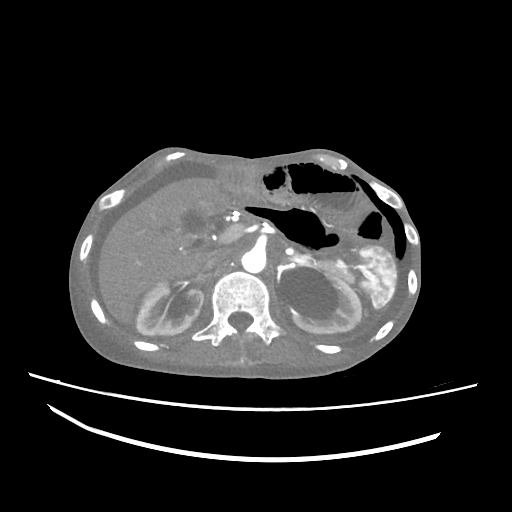

Computed tomography, abdomen — axial view — W/L 400/40 HU — scan has 15 labeled organs (counted over the whole 3D scan, not this slice; an organ is boxed only where this slice passes through it)
Bounding boxes in pixels, one row per box: x1, y1 is the top-left corner and x2, y2 the bottom-right.
| organ | x1 | y1 | x2 | y2 |
|---|---|---|---|---|
| spleen | 359 | 246 | 396 | 308 |
| right kidney | 136 | 282 | 203 | 335 |
| left kidney | 291 | 275 | 361 | 333 |
| gall bladder | 182 | 209 | 208 | 237 |
| liver | 98 | 177 | 230 | 324 |
| aorta | 241 | 249 | 265 | 273 |
| inferior vena cava | 200 | 248 | 231 | 272 |
| pancreas | 311 | 260 | 353 | 282 |